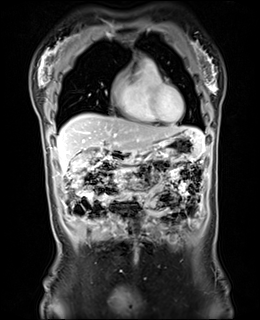
MRI, abdomen; coronal view; 260x320 px
Boxes: x1:y1:x2:y2 in pixels.
gall bladder: 84:150:96:153
liver: 57:113:203:173
stomach: 121:129:203:164
duodenum: 108:151:126:162